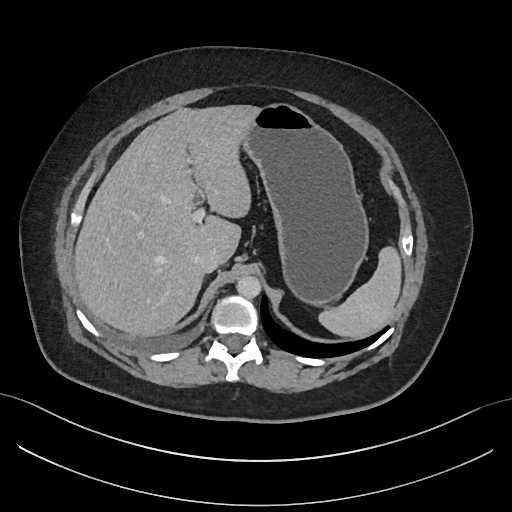
CT, abdomen/pelvis — axial plane, index 175 — 512x512 px
One row per box, in pixels: columns x1 and y1 give the top-left corner, x2 and y2 the bottom-right.
| organ | x1 | y1 | x2 | y2 |
|---|---|---|---|---|
| liver | 74 | 105 | 260 | 335 |
| inferior vena cava | 194 | 248 | 220 | 273 |
| aorta | 236 | 276 | 260 | 298 |
| stomach | 242 | 104 | 367 | 305 |
| spleen | 319 | 248 | 399 | 336 |